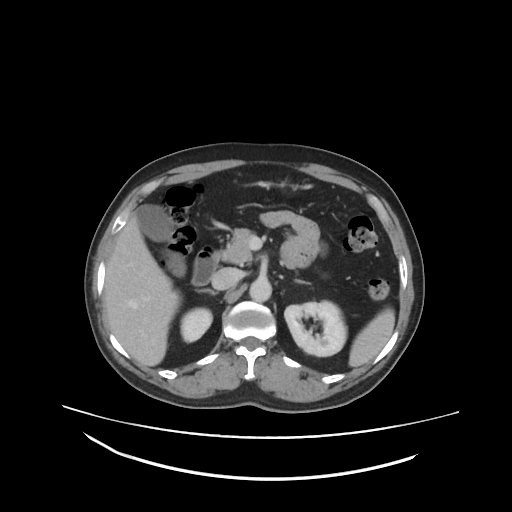 CT, abdomen/pelvis · axial view · 512x512 px
{"organs":{"inferior vena cava":[212,268,242,289],"left adrenal gland":[296,279,309,285],"duodenum":[192,247,217,287],"spleen":[349,308,394,367],"gall bladder":[138,205,184,273],"left kidney":[284,300,346,356],"right kidney":[179,308,213,342],"pancreas":[219,229,252,262],"aorta":[249,281,271,302],"liver":[106,207,178,365],"right adrenal gland":[192,289,219,294]}}